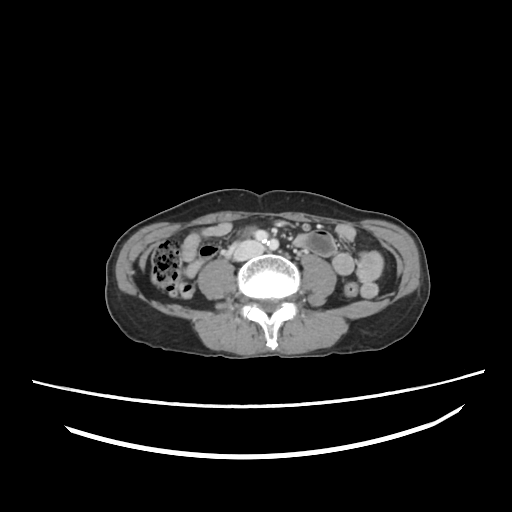

CT abdomen · axial view
Coordinates as <box>x1,y1,x2,y2</box> in pixels. The annotated organs in this slice are: inferior vena cava at <box>234,240,262,260</box>.